Computed tomography, abdomen; axial view; 512x512 px
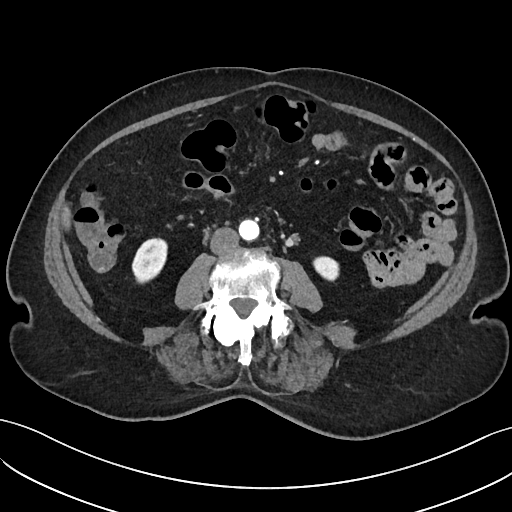 {"organs":{"right kidney":[132,238,167,283],"left kidney":[313,256,339,280],"liver":[61,207,71,227],"aorta":[238,219,259,240],"inferior vena cava":[210,227,238,254]}}